Abdominal CT. axial view. W/L 400/40 HU. 512x512 px. 59-year-old male patient. 15 organs annotated in this scan (that count is for the whole scan; organs this slice misses have no box)
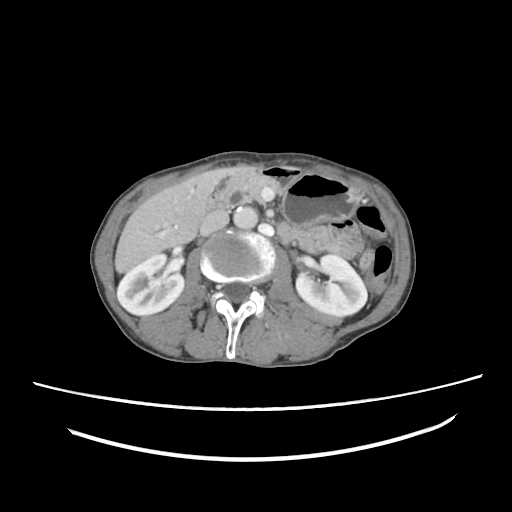

Box edges are left/top/right/bottom in pixels.
Organ bounding boxes:
- duodenum: left=205, top=185, right=291, bottom=237
- stomach: left=264, top=166, right=360, bottom=226
- left kidney: left=296, top=254, right=367, bottom=316
- pancreas: left=226, top=169, right=277, bottom=201
- liver: left=114, top=166, right=248, bottom=273
- aorta: left=233, top=206, right=257, bottom=229
- right kidney: left=117, top=253, right=184, bottom=315
- inferior vena cava: left=200, top=210, right=229, bottom=235